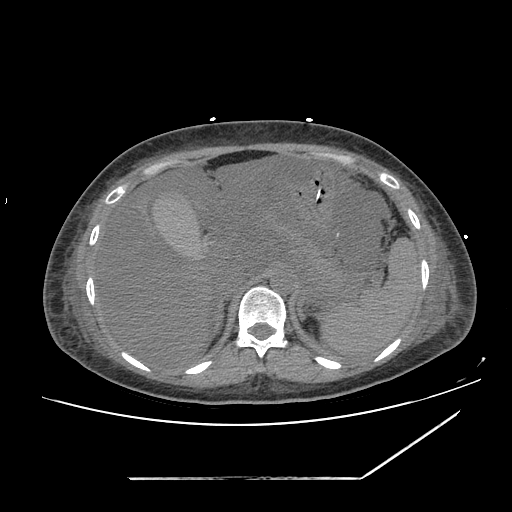
Computed tomography, abdomen; axial view; 512x512 px
Each box given as x1,y1,x2,y2.
spleen: x1=320, y1=237, x2=419, y2=355
pancreas: x1=263, y1=208, x2=340, y2=282
liver: x1=94, y1=153, x2=289, y2=367
left adrenal gland: x1=298, y1=287, x2=309, y2=321
aorta: x1=270, y1=270, x2=294, y2=294
right adrenal gland: x1=209, y1=300, x2=224, y2=339
inferior vena cava: x1=214, y1=265, x2=248, y2=300
gall bladder: x1=151, y1=189, x2=211, y2=258
stomach: x1=289, y1=163, x2=334, y2=231